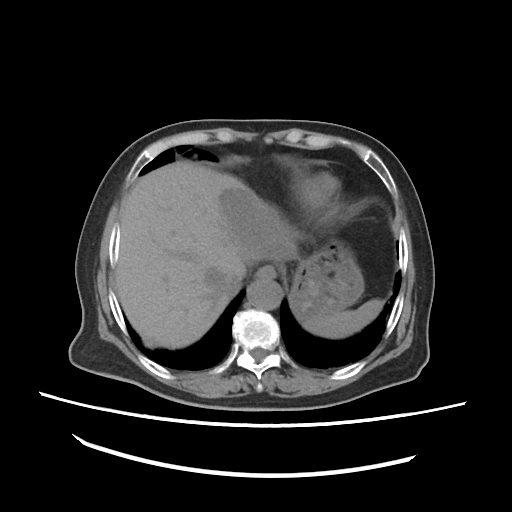

CT abdomen. axial view. 512x512 px. 75-year-old female patient
Boxes: x1:y1:x2:y2 in pixels.
Organ bounding boxes:
- liver: 116:161:296:348
- aorta: 246:278:281:310
- spleen: 305:301:382:339
- esophagus: 254:265:277:279
- stomach: 287:247:363:323
- inferior vena cava: 202:266:240:295